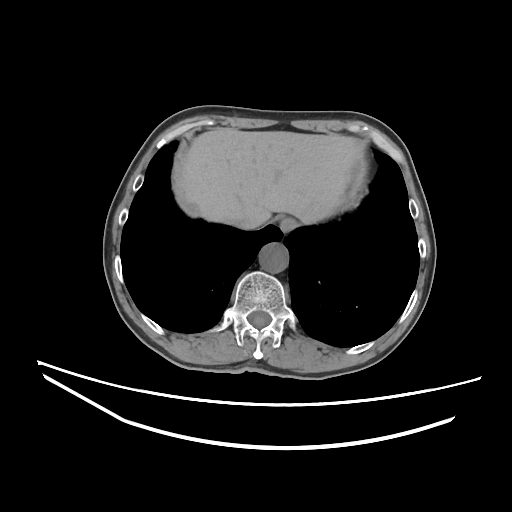
Abdominal CT — axial view — soft-tissue window (W 400 / L 40) — 512x512 px
Boxes: x1:y1:x2:y2 in pixels.
Organ bounding boxes:
- esophagus: 279:217:296:232
- liver: 174:129:361:224
- aorta: 259:243:288:273
- inferior vena cava: 234:208:263:229